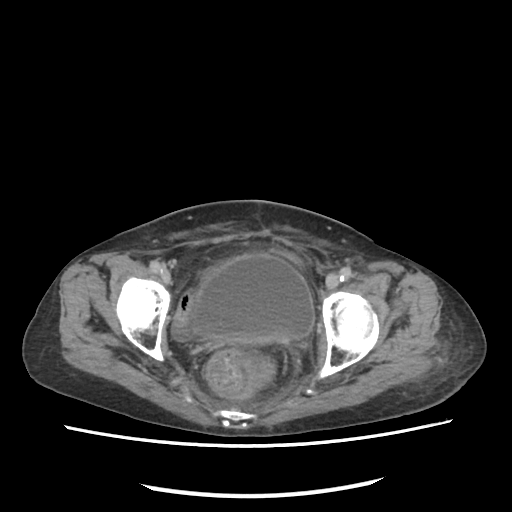
Abdominal CT — axial plane, index 17
Box edges are left/top/right/bottom in pixels. Labeled organs on this slice: bladder at left=193, top=254, right=314, bottom=342.